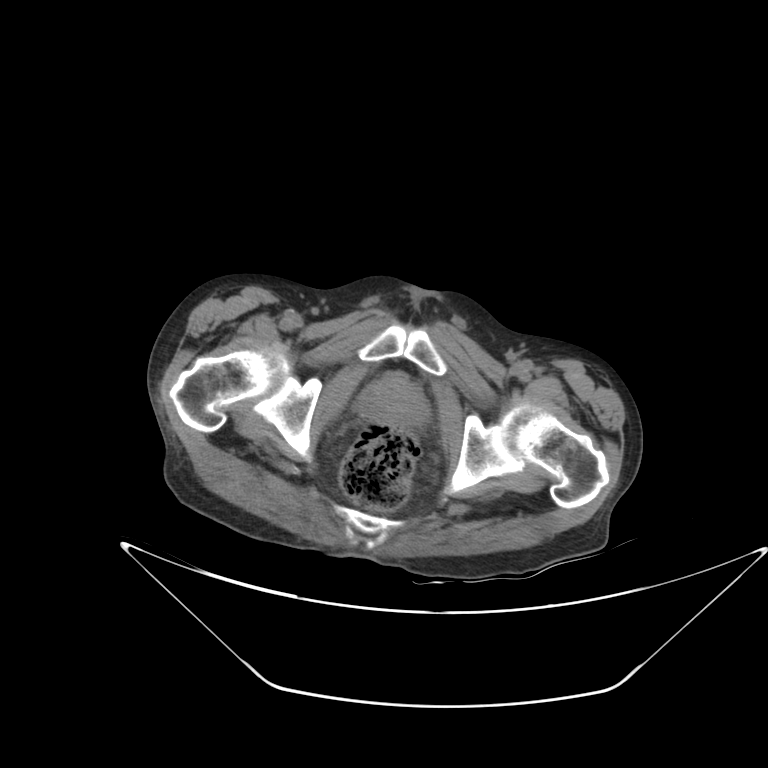

CT abdomen — axial view — Brilliance16 scanner
{"organs":{"prostate/uterus":[358,375,427,428]}}